Abdominal CT; this slice is in the lower chest, just above the liver; axial view; soft-tissue window
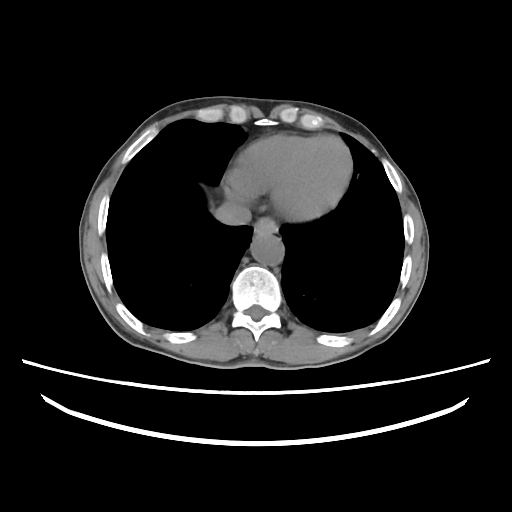 The heart and lungs are never labeled in this dataset, so they have no box on this slice.
{"organs":{"esophagus":[254,217,278,233],"aorta":[250,233,283,265],"inferior vena cava":[215,200,250,225]}}